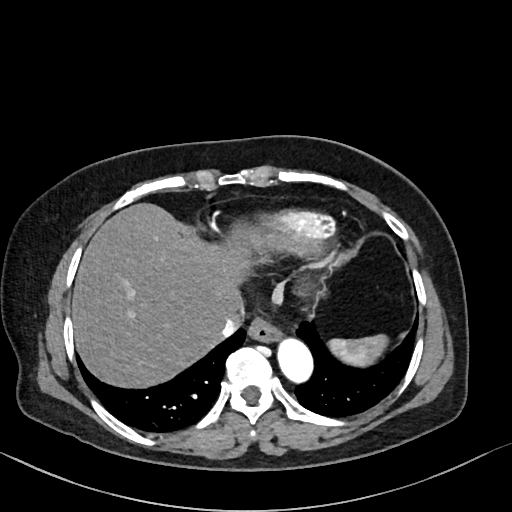 Computed tomography, abdomen. axial view. 512x512 px. acquired on SOMATOM Force
Coordinates as <box>x1,y1,x2,y2</box> in pixels.
Organ bounding boxes:
- spleen: <box>328,334,388,366</box>
- esophagus: <box>248,317,281,342</box>
- liver: <box>72,203,254,388</box>
- aorta: <box>277,338,313,382</box>
- inferior vena cava: <box>208,307,242,341</box>